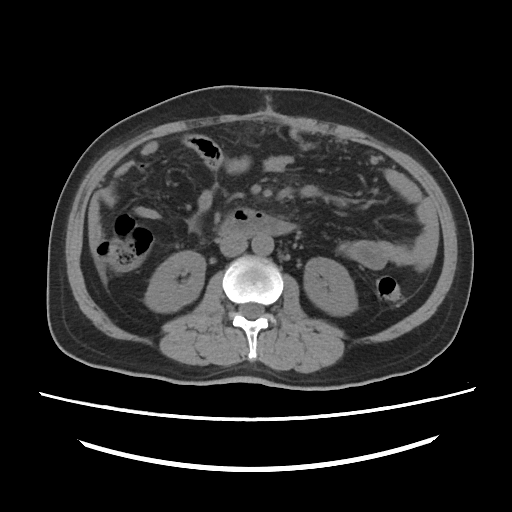

Abdominal CT · axial view · W/L 400/40 HU · 49-year-old male patient · acquired on Aquilion ONE
Boxes: x1:y1:x2:y2 in pixels. Labeled organs on this slice: left kidney at 304:257:357:315, duodenum at 219:208:295:237, right kidney at 145:251:205:312, inferior vena cava at 220:236:246:256, aorta at 252:235:273:255.